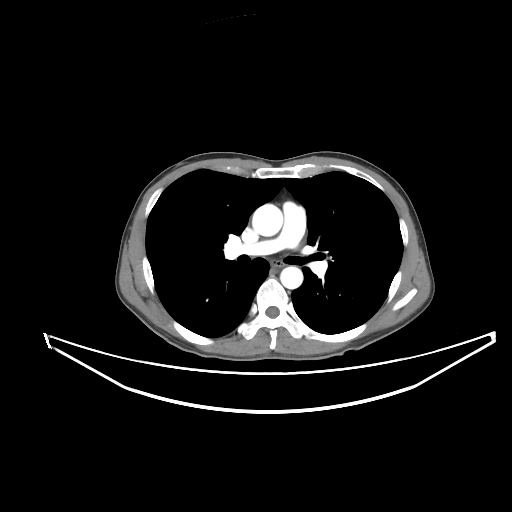
CT of the abdomen extending into the chest, slice through the chest. axial view. soft-tissue window, W/L 400/40. 52-year-old male patient. 15 organs annotated in this scan (counted over the whole 3D scan, not this slice; an organ is boxed only where this slice passes through it)
At this level of the chest this dataset labels only the esophagus and the aorta, and each is boxed only where it is labeled; the heart and lungs are never labeled.
Organ boxes in pixel coordinates; each row gives the top-left (x1, y1) and bottom-right (x2, y2) corners.
| organ | x1 | y1 | x2 | y2 |
|---|---|---|---|---|
| esophagus | 272 | 260 | 287 | 270 |
| aorta | 252 | 204 | 282 | 236 |
| aorta | 280 | 266 | 302 | 288 |